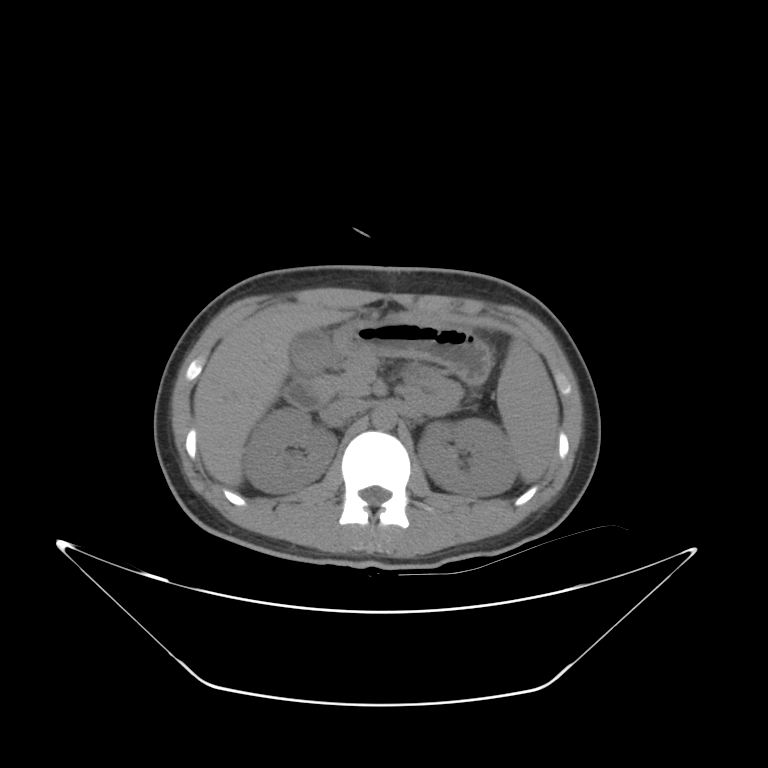
CT, abdomen/pelvis; axial view; 768x768 px; scan has 15 labeled organs (counted over the whole 3D scan, not this slice; an organ is boxed only where this slice passes through it)
Bounding boxes in pixels, one row per box: x1, y1 is the top-left corner and x2, y2 the bottom-right.
| organ | x1 | y1 | x2 | y2 |
|---|---|---|---|---|
| spleen | 498 | 338 | 558 | 479 |
| right kidney | 246 | 408 | 337 | 491 |
| left kidney | 418 | 418 | 515 | 494 |
| gall bladder | 290 | 331 | 331 | 374 |
| liver | 193 | 308 | 434 | 487 |
| stomach | 334 | 319 | 489 | 385 |
| aorta | 369 | 406 | 399 | 428 |
| inferior vena cava | 319 | 398 | 366 | 424 |
| pancreas | 305 | 358 | 378 | 398 |
| duodenum | 283 | 376 | 323 | 409 |